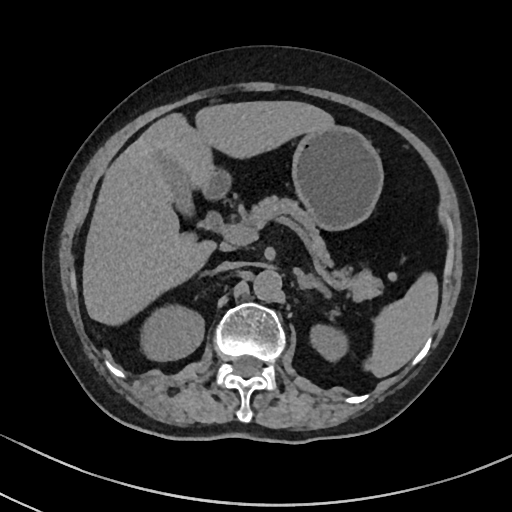

Computed tomography, abdomen; axial view
Bounding boxes as [x1, y1, x2, y2] in pixel coordinates.
Organ bounding boxes:
- spleen: [372, 275, 437, 376]
- right kidney: [141, 305, 205, 360]
- left kidney: [310, 326, 347, 358]
- gall bladder: [155, 148, 193, 214]
- liver: [82, 100, 333, 322]
- stomach: [292, 124, 382, 229]
- aorta: [254, 267, 282, 299]
- inferior vena cava: [214, 262, 238, 273]
- pancreas: [251, 196, 383, 298]
- left adrenal gland: [299, 272, 330, 294]
- duodenum: [201, 169, 231, 199]